CT, abdomen/pelvis. axial view. W/L 400/40 HU. 512x512 px
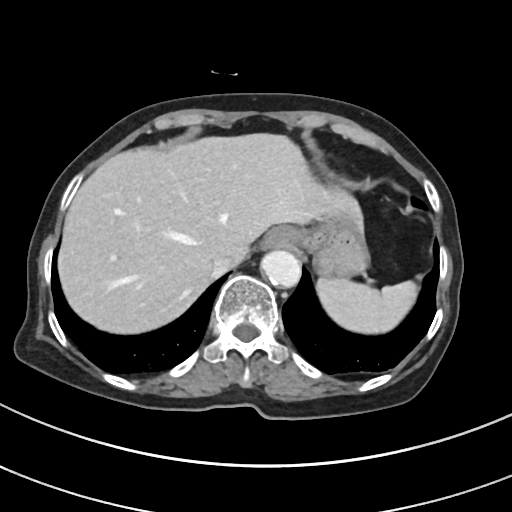

Each box given as x1,y1,x2,y2.
Organ bounding boxes:
- stomach: x1=297, y1=201, x2=369, y2=278
- aorta: x1=261, y1=249, x2=300, y2=287
- liver: x1=57, y1=133, x2=364, y2=333
- inferior vena cava: x1=213, y1=256, x2=236, y2=276
- spleen: x1=317, y1=278, x2=417, y2=333
- esophagus: x1=263, y1=226, x2=298, y2=249